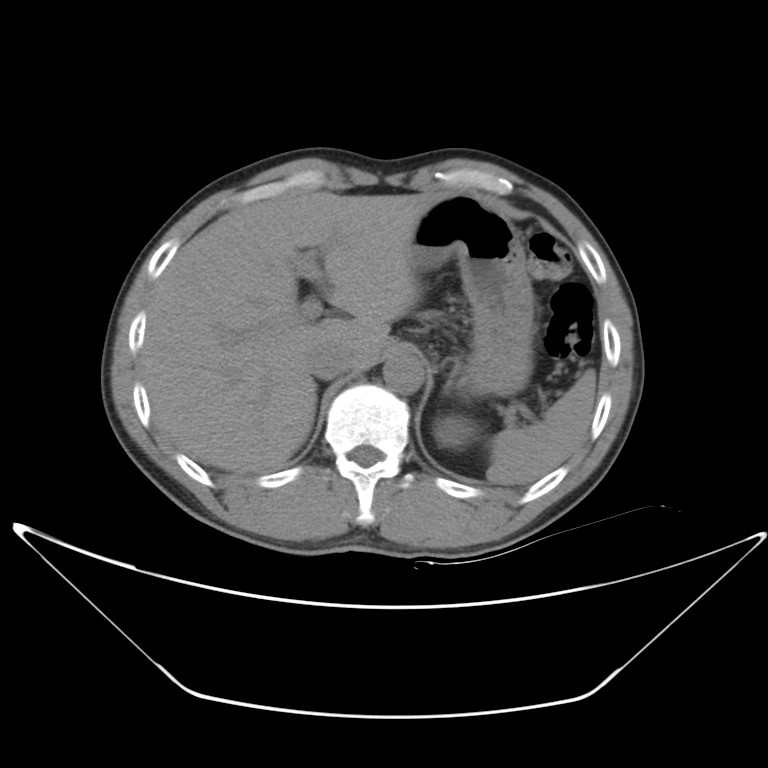
Abdominal CT. axial view. soft-tissue window. 768x768 px
One row per box, in pixels: columns x1 and y1 give the top-left corner, x2 and y2 the bottom-right.
| organ | x1 | y1 | x2 | y2 |
|---|---|---|---|---|
| spleen | 487 | 373 | 594 | 486 |
| inferior vena cava | 308 | 346 | 350 | 378 |
| aorta | 381 | 354 | 424 | 394 |
| stomach | 411 | 192 | 534 | 394 |
| left kidney | 430 | 412 | 475 | 451 |
| liver | 143 | 192 | 437 | 472 |